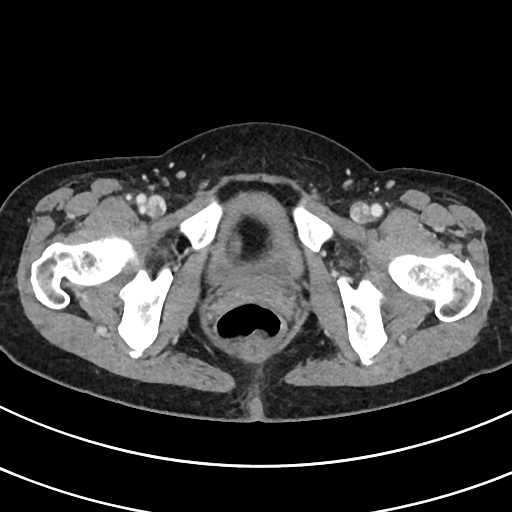

CT, abdomen/pelvis — Axial slice 11/192 — soft-tissue window — 512x512 px
Bounding boxes in pixels, one row per box: x1, y1 is the top-left corner and x2, y2 the bottom-right.
| organ | x1 | y1 | x2 | y2 |
|---|---|---|---|---|
| bladder | 208 | 192 | 303 | 287 |